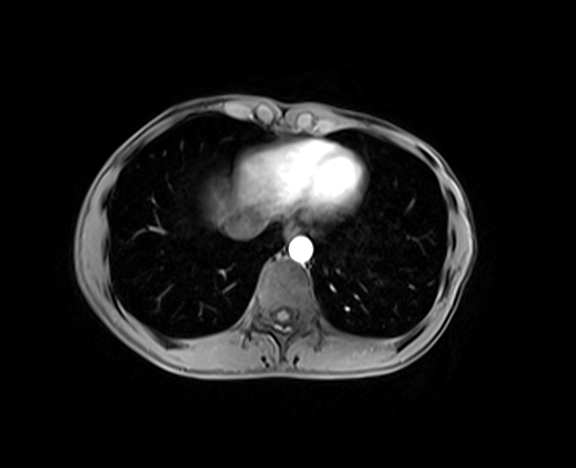 MRI, abdomen — axial view — 576x468 px — Prisma scanner
{"organs":{"liver":[208,188,233,221],"aorta":[288,237,312,262],"esophagus":[285,223,298,237],"inferior vena cava":[225,213,263,238]}}